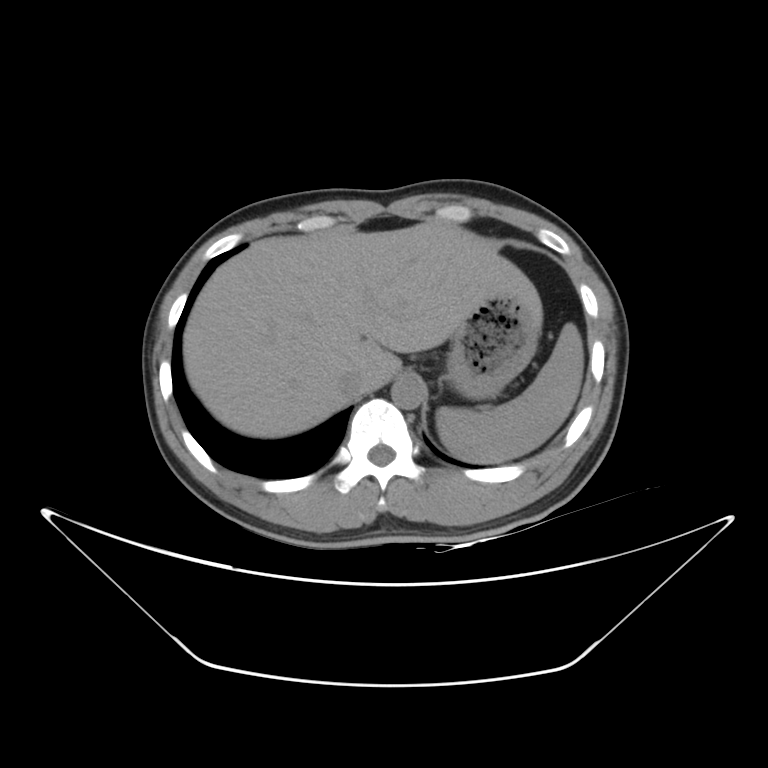 Abdominal CT — axial plane, index 82 — abdomen soft-tissue window — 37-year-old male patient — 15 organs annotated in this scan (counted over the whole 3D scan, not this slice; an organ is boxed only where this slice passes through it)
Bounding boxes as [x1, y1, x2, y2] in pixel coordinates.
Organ bounding boxes:
- spleen: [435, 322, 584, 463]
- liver: [183, 222, 542, 437]
- stomach: [443, 294, 540, 399]
- aorta: [391, 376, 425, 408]
- inferior vena cava: [338, 370, 364, 397]